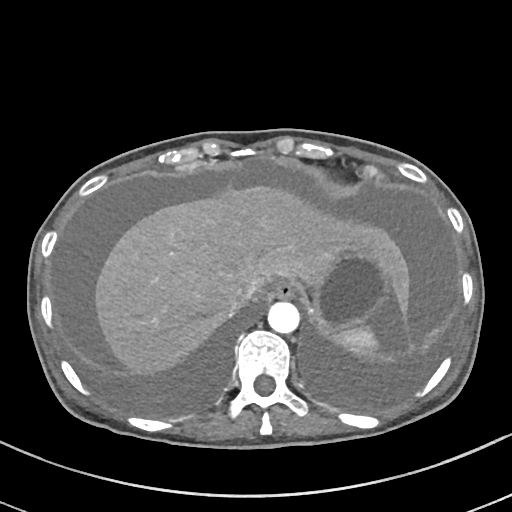

CT abdomen — axial view — soft-tissue window — SOMATOM Force scanner
Boxes: x1 y1 x2 y2 (pixel coords, space-separated). Labeled organs on this slice: stomach at 310 242 389 337, esophagus at 270 279 296 298, inferior vena cava at 227 284 253 312, aorta at 268 301 299 333, spleen at 335 327 377 355, liver at 94 185 410 374.